Computed tomography, abdomen; axial view
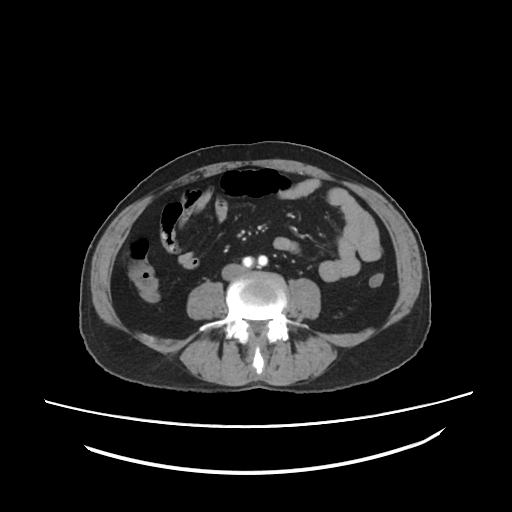

One row per box, in pixels: columns x1 and y1 give the top-left corner, x2 and y2 the bottom-right.
| organ | x1 | y1 | x2 | y2 |
|---|---|---|---|---|
| aorta | 245 | 257 | 266 | 265 |
| inferior vena cava | 222 | 264 | 243 | 279 |